Computed tomography, abdomen. axial plane, index 163. 512x512 px. 14 organs annotated in this scan (counted over the whole 3D scan, not this slice; an organ is boxed only where this slice passes through it)
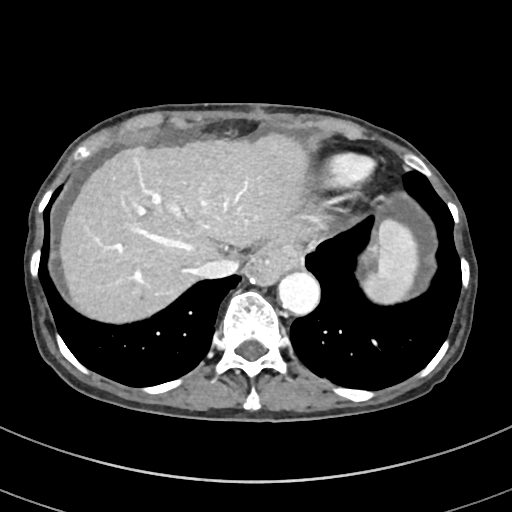 Bounding boxes in pixels, one row per box: x1, y1 is the top-left corner and x2, y2 the bottom-right.
| organ | x1 | y1 | x2 | y2 |
|---|---|---|---|---|
| spleen | 363 | 219 | 416 | 302 |
| liver | 60 | 133 | 316 | 321 |
| aorta | 278 | 273 | 320 | 315 |
| inferior vena cava | 196 | 253 | 241 | 278 |